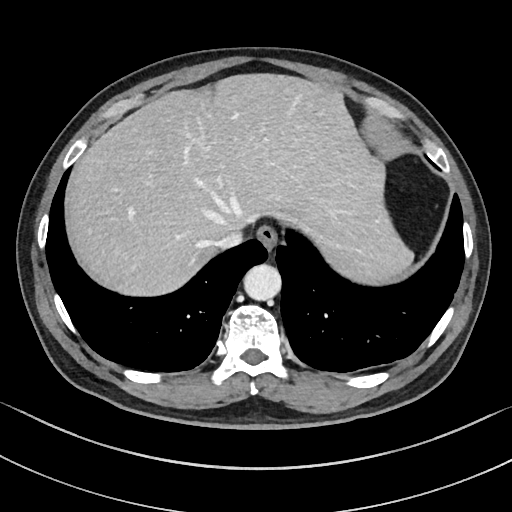 CT, abdomen/pelvis · axial view · abdomen soft-tissue window · 512x512 px
{"organs":{"esophagus":[257,226,278,251],"liver":[64,75,413,295],"aorta":[244,264,282,300],"inferior vena cava":[216,229,243,247]}}